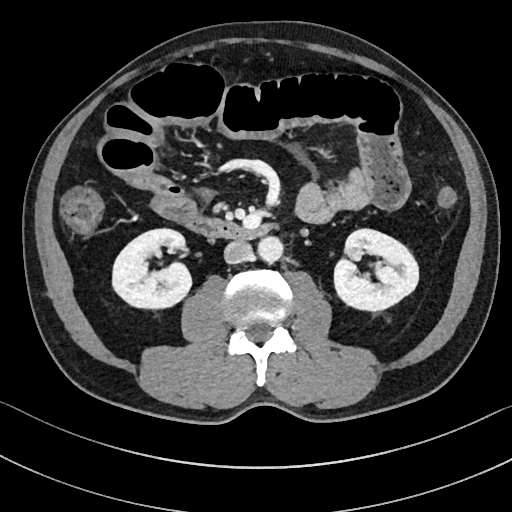 Computed tomography, abdomen; axial view; 512x512 px; SOMATOM Force scanner
Boxes are (x1, y1, x2, y2) in pixels. Labeled organs on this slice: duodenum at (187, 218, 273, 240), right kidney at (112, 229, 191, 308), inferior vena cava at (223, 241, 253, 264), left kidney at (334, 229, 418, 310), aorta at (258, 236, 283, 262).